Computed tomography, abdomen — axial view — 512x512 px — SOMATOM Force scanner
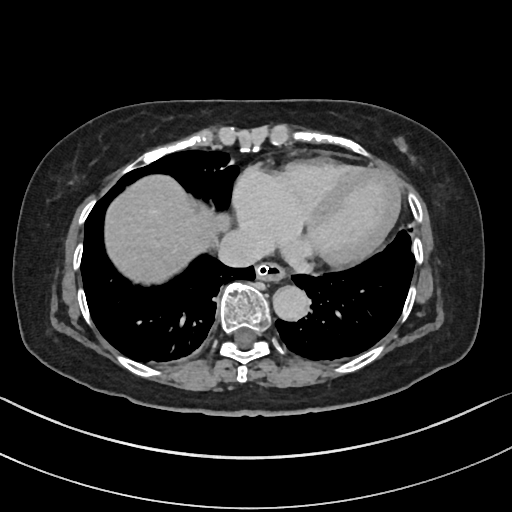
One row per box, in pixels: columns x1 and y1 give the top-left corner, x2 and y2 the bottom-right.
| organ | x1 | y1 | x2 | y2 |
|---|---|---|---|---|
| esophagus | 255 | 263 | 285 | 282 |
| liver | 105 | 176 | 217 | 282 |
| aorta | 272 | 286 | 308 | 320 |
| inferior vena cava | 218 | 228 | 268 | 265 |